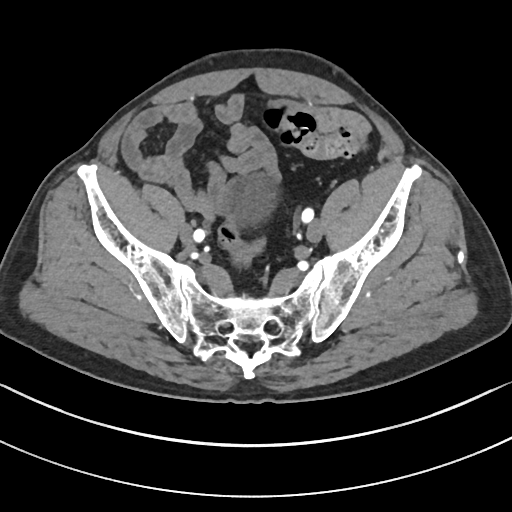
Abdominal CT; axial view
One row per box, in pixels: columns x1 and y1 give the top-left corner, x2 and y2 the bottom-right.
| organ | x1 | y1 | x2 | y2 |
|---|---|---|---|---|
| bladder | 233 | 178 | 275 | 220 |